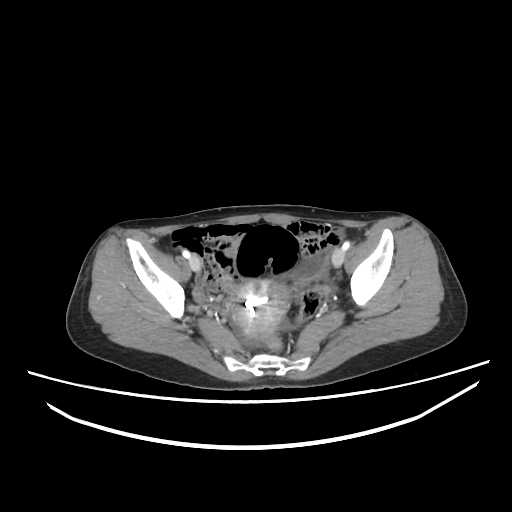
CT abdomen — Axial slice 16/114 — abdomen soft-tissue window — 43-year-old female patient — acquired on Aquilion ONE
<organs><organ name="prostate/uterus" x1="233" y1="280" x2="287" y2="337"/><organ name="bladder" x1="301" y1="261" x2="318" y2="274"/></organs>